CT abdomen · axial view · soft-tissue window (W 400 / L 40)
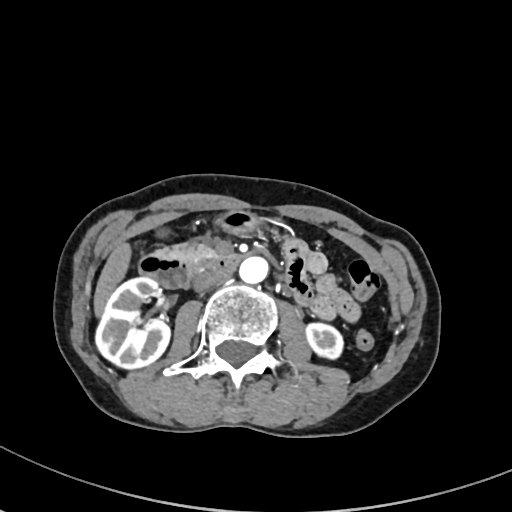

Boxes: x1 y1 x2 y2 (pixel coords, space-separated). The annotated organs in this slice are: right kidney at 95 276 170 369, left kidney at 306 323 342 358, liver at 94 242 131 315, stomach at 215 211 259 233, aorta at 239 257 268 283, inferior vena cava at 193 272 227 292, pancreas at 156 244 215 261, duodenum at 138 253 239 288.